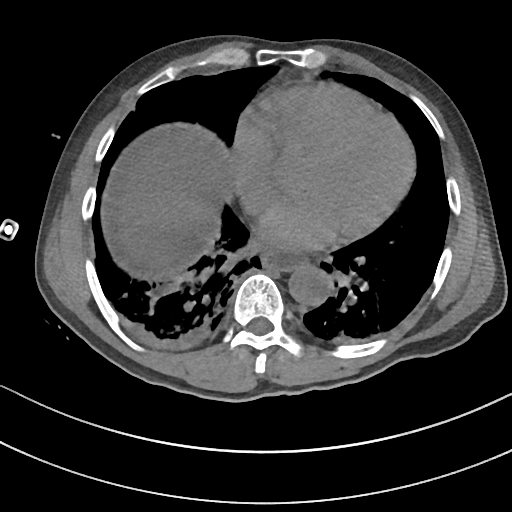

Abdominal CT; axial view; abdomen soft-tissue window
Organ boxes in pixel coordinates; each row gives the top-left (x1, y1) and bottom-right (x2, y2) corners.
| organ | x1 | y1 | x2 | y2 |
|---|---|---|---|---|
| esophagus | 261 | 250 | 306 | 270 |
| liver | 117 | 131 | 230 | 272 |
| aorta | 288 | 265 | 330 | 306 |